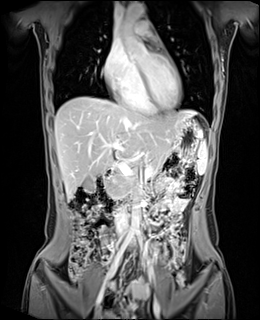 Abdominal MR · coronal view · 260x320 px
Boxes: x1:y1:x2:y2 in pixels.
spleen: 197:140:207:174
gall bladder: 82:178:94:191
liver: 54:96:197:198
stomach: 174:118:203:161
aorta: 120:3:146:37
aorta: 129:197:139:232
inferior vena cava: 115:205:127:233
pancreas: 105:148:177:198
duodenum: 94:169:145:213